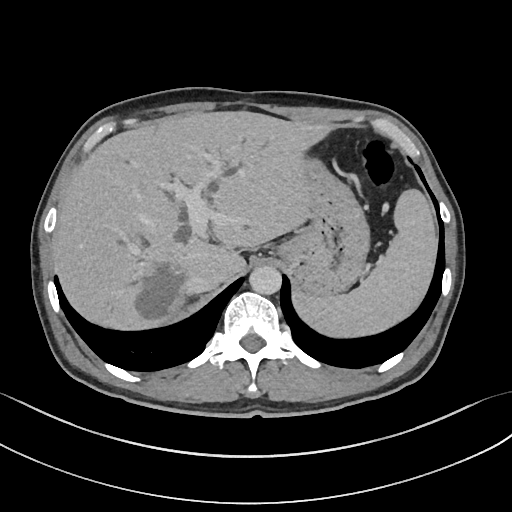

Abdominal CT; Axial slice 189/230
Bounding boxes as [x1, y1, x2, y2] in pixel coordinates.
inferior vena cava: [187, 272, 219, 294]
stomach: [277, 159, 369, 295]
spleen: [294, 189, 437, 337]
aorta: [249, 266, 281, 294]
liver: [51, 111, 330, 329]